CT abdomen. Axial slice 240/353
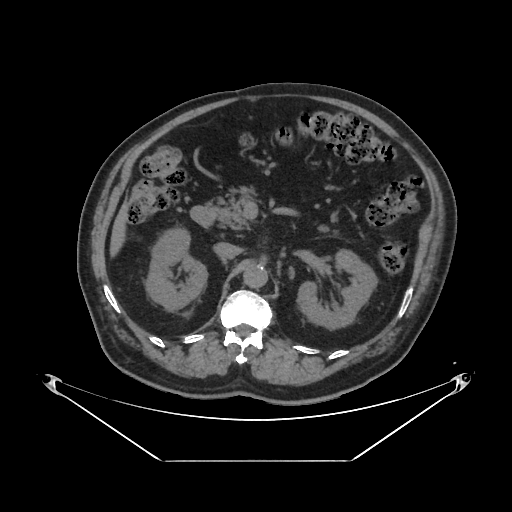

Bounding boxes as [x1, y1, x2, y2] in pixel coordinates.
right kidney: [144, 227, 207, 310]
left kidney: [297, 248, 377, 328]
liver: [110, 203, 127, 255]
aorta: [243, 263, 267, 287]
inferior vena cava: [213, 242, 241, 258]
pancreas: [217, 194, 250, 230]
duodenum: [190, 202, 217, 227]